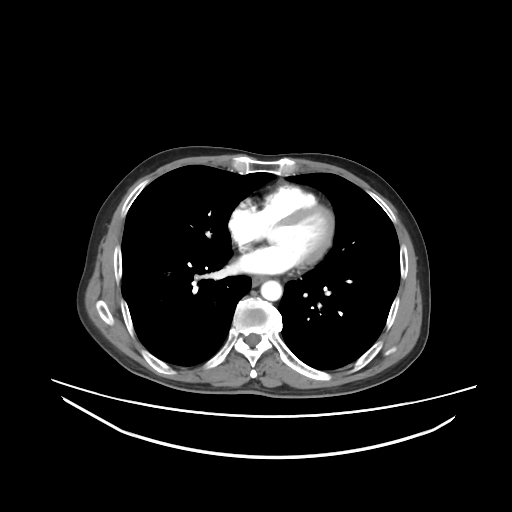

Lower-chest slice from an abdominal CT, just above the liver and spleen; Axial slice 98/134; soft-tissue window, W/L 400/40; 52-year-old male patient
The heart and lungs are never labeled in this dataset, so they have no box on this slice.
<organs><organ name="aorta" x1="260" y1="280" x2="282" y2="300"/><organ name="esophagus" x1="252" y1="276" x2="266" y2="285"/></organs>